Abdominal CT · axial view · 512x512 px · scan has 15 labeled organs (that count is for the whole scan; organs this slice misses have no box)
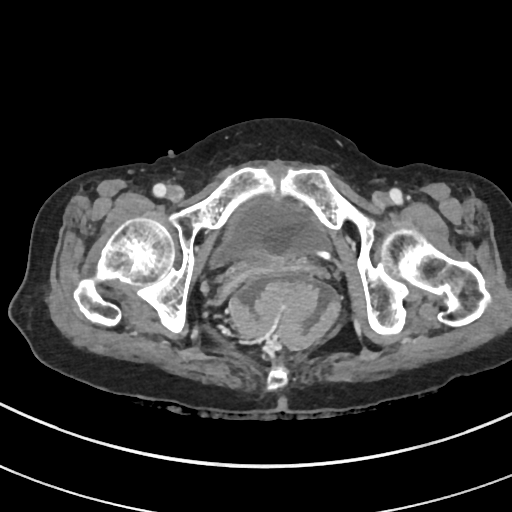 Boxes: x1:y1:x2:y2 in pixels.
bladder: 209:196:332:266